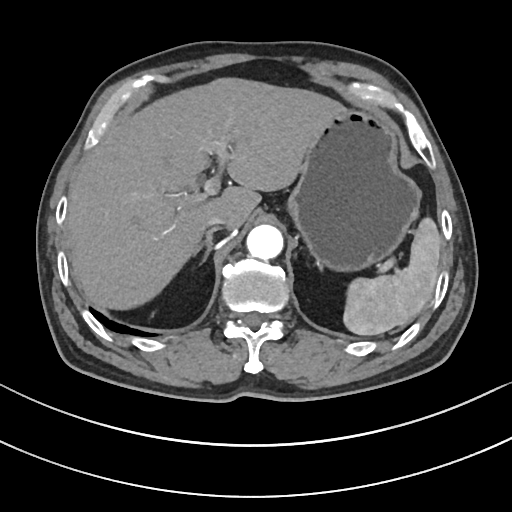 Computed tomography, abdomen · axial view
{"organs":{"stomach":[287,109,421,269],"aorta":[246,225,283,259],"spleen":[342,218,440,335],"liver":[67,79,338,310],"right adrenal gland":[198,229,215,263],"inferior vena cava":[204,217,224,230]}}